CT abdomen. axial view. 512x512 px. 49-year-old male patient
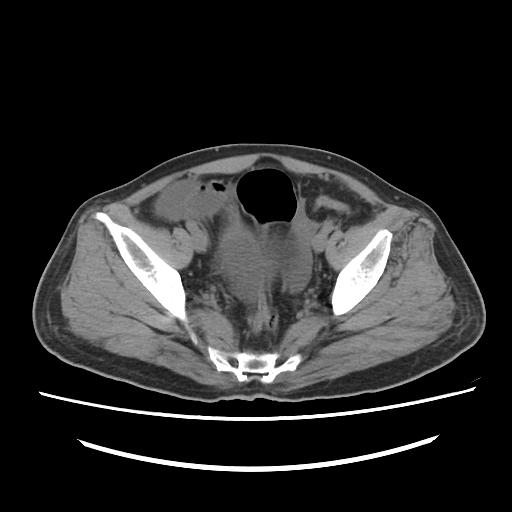
Boxes are (x1, y1, x2, y2) in pixels. 1 labeled organ on this slice — bladder at (219, 225, 273, 279).